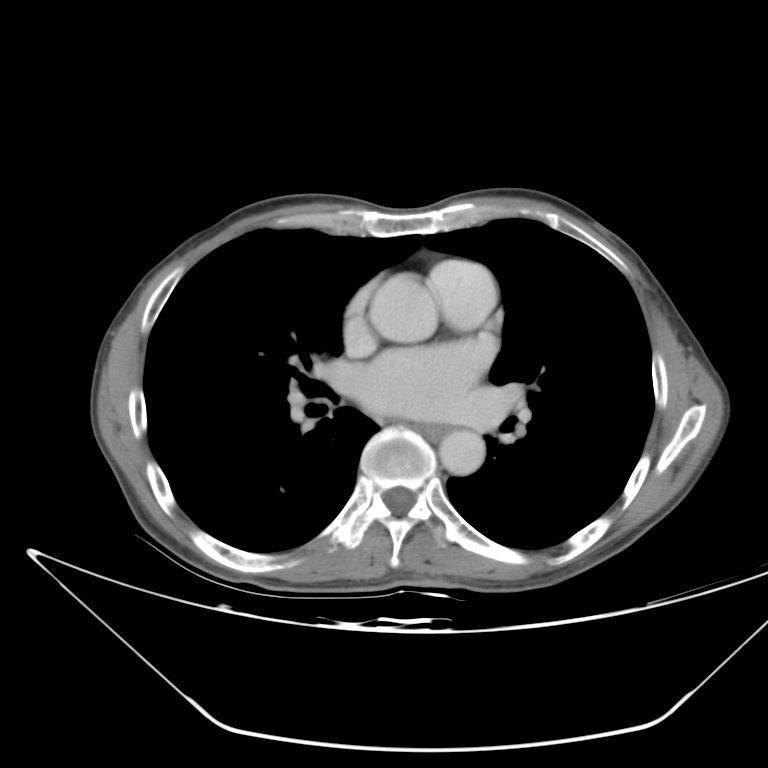

Abdominal CT reaching into the chest; this slice is in the chest; axial view; 13 organs annotated in this scan (that count is for the whole scan; organs this slice misses have no box)
At this level of the chest no structure but the esophagus and the aorta has a label in this dataset, and those two are boxed only where they are labeled.
{"organs":{"esophagus":[415,423,450,443],"aorta":[[370,276,436,342],[438,426,482,472]]}}